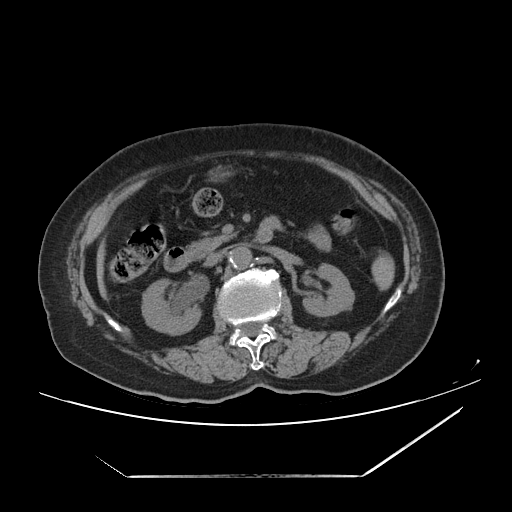
CT, abdomen/pelvis · axial plane, index 109 · 512x512 px · acquired on SOMATOM Force
{"organs":{"spleen":[369,248,396,294],"right kidney":[142,280,204,335],"left kidney":[302,264,354,317],"liver":[95,230,109,303],"stomach":[202,163,242,186],"aorta":[229,247,252,271],"inferior vena cava":[204,250,224,266],"pancreas":[188,232,234,258],"duodenum":[163,248,193,272]}}